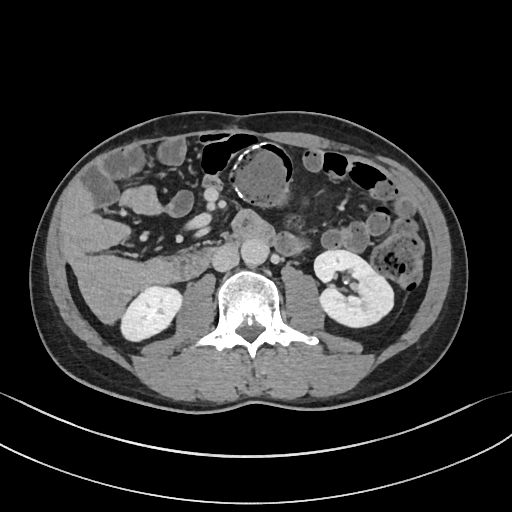
Computed tomography, abdomen · axial view · SOMATOM Force scanner
Boxes are (x1, y1, x2, y2) in pixels.
Organ bounding boxes:
- right kidney: (121, 286, 182, 340)
- left kidney: (314, 250, 393, 327)
- aorta: (241, 238, 269, 266)
- inferior vena cava: (212, 244, 238, 271)